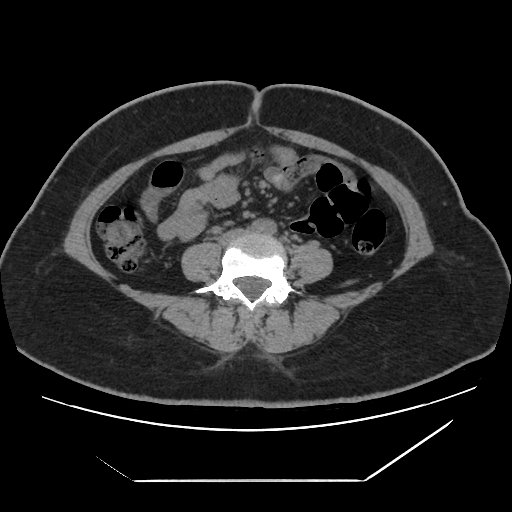

CT abdomen. Axial slice 146/345. soft-tissue window (W 400 / L 40). 512x512 px
Each box given as x1,y1,x2,y2.
Organ bounding boxes:
- aorta: x1=252, y1=218, x2=276, y2=234
- inferior vena cava: x1=221, y1=229, x2=246, y2=242